Abdominal CT. axial view. 768x768 px
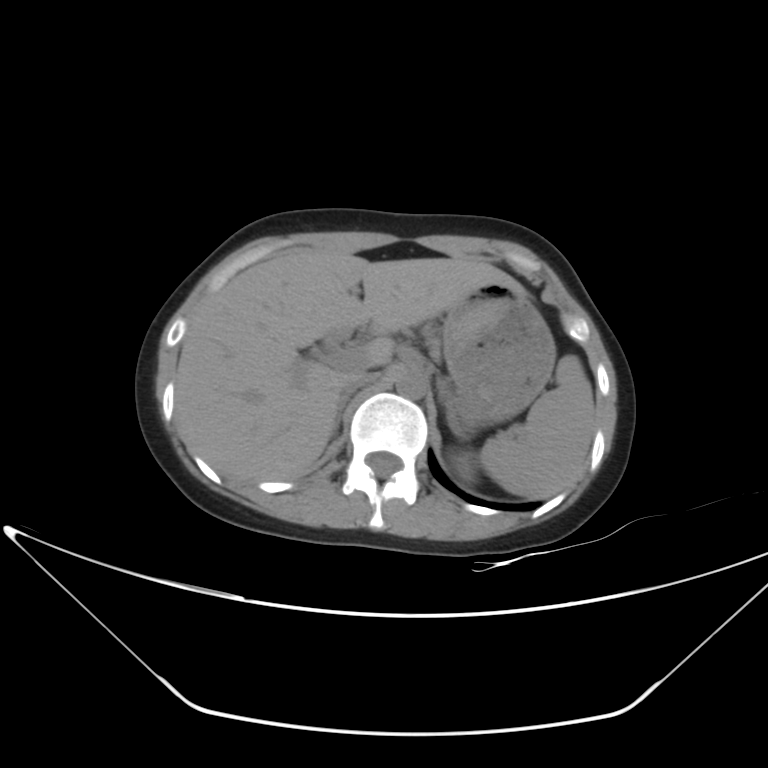 Coordinates as <box>x1,y1,x2,y2</box> in pixels. Labeled organs on this slice: inferior vena cava at <box>340,371,375,396</box>, left adrenal gland at <box>439,381,465,439</box>, left kidney at <box>455,453,473,480</box>, aorta at <box>395,371,427,399</box>, right adrenal gland at <box>333,395,347,436</box>, spleen at <box>479,354,594,498</box>, pancreas at <box>415,323,438,357</box>, stomach at <box>443,286,555,428</box>, liver at <box>174,249,524,480</box>.